CT abdomen · axial view · 60-year-old male patient · Aquilion ONE scanner
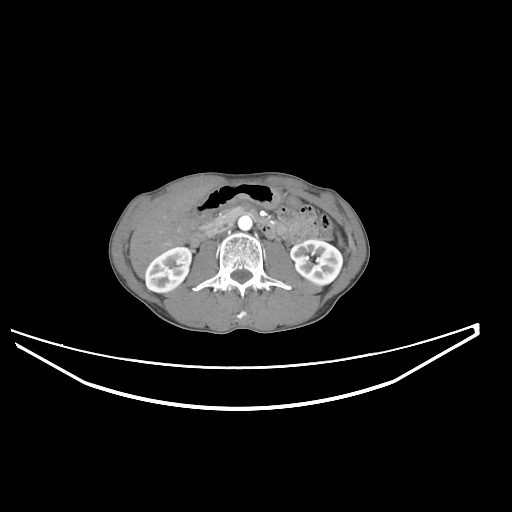
Bounding boxes as [x1, y1, x2, y2] in pixel coordinates. 8 labeled organs on this slice — aorta at [238, 216, 252, 230]; stomach at [195, 183, 280, 219]; right kidney at [145, 246, 191, 292]; duodenum at [189, 211, 275, 247]; pancreas at [202, 206, 246, 235]; inferior vena cava at [215, 225, 234, 237]; left kidney at [290, 239, 342, 285]; liver at [129, 186, 210, 277].